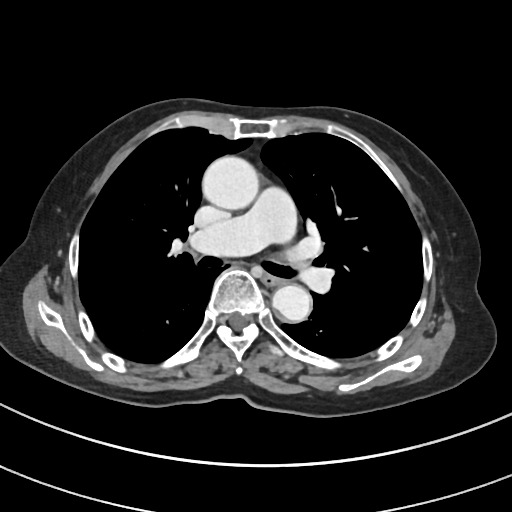
Chest-level CT slice, above the liver and spleen. axial view. 512x512 px. 15 organs annotated in this scan (counted over the whole 3D scan, not this slice; an organ is boxed only where this slice passes through it)
On a slice this high in the chest, this dataset labels only the esophagus and the aorta, and each is boxed only where it is labeled; the heart, lungs and other chest structures are not labeled.
Organ boxes in pixel coordinates; each row gives the top-left (x1, y1) and bottom-right (x2, y2) corners.
| organ | x1 | y1 | x2 | y2 |
|---|---|---|---|---|
| esophagus | 264 | 273 | 284 | 285 |
| aorta | 202 | 156 | 259 | 210 |
| aorta | 272 | 285 | 311 | 322 |